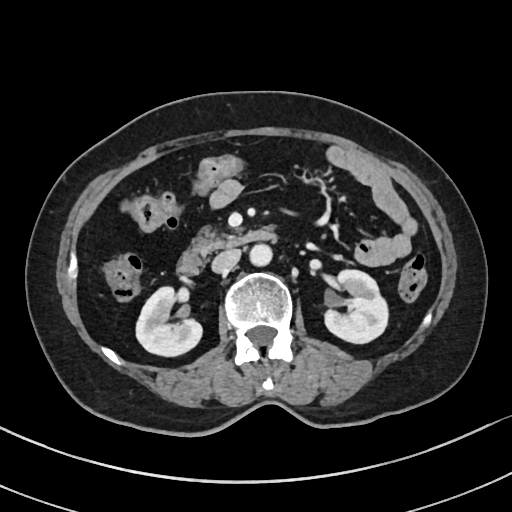

CT, abdomen/pelvis; axial view; abdomen soft-tissue window; SOMATOM Force scanner
Boxes are (x1, y1, x2, y2) in pixels. The annotated organs in this slice are: right kidney at (136, 287, 202, 356), left kidney at (325, 269, 387, 344), aorta at (249, 244, 271, 266), inferior vena cava at (211, 249, 240, 273), pancreas at (192, 227, 239, 254), duodenum at (175, 229, 274, 273).